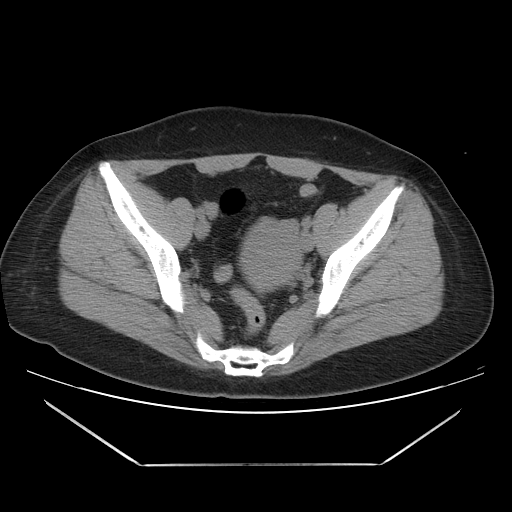
Computed tomography, abdomen — axial view — soft-tissue window
<organs><organ name="prostate/uterus" x1="241" y1="221" x2="301" y2="289"/></organs>